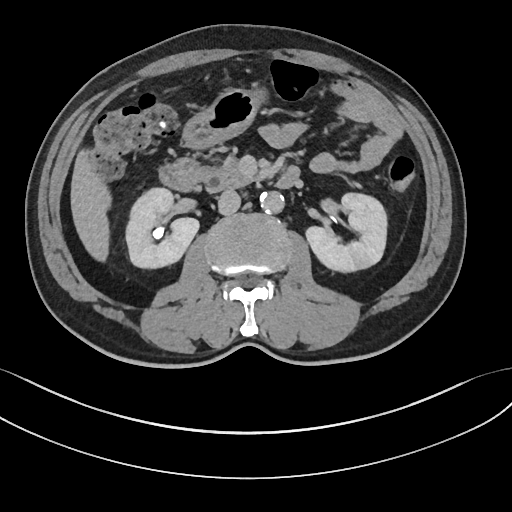

CT, abdomen/pelvis. axial view
{"organs":{"right kidney":[126,188,199,269],"left kidney":[305,193,386,272],"liver":[70,148,112,262],"stomach":[181,87,266,152],"aorta":[260,191,284,214],"inferior vena cava":[217,189,240,214],"pancreas":[203,155,258,191],"duodenum":[161,157,299,192]}}